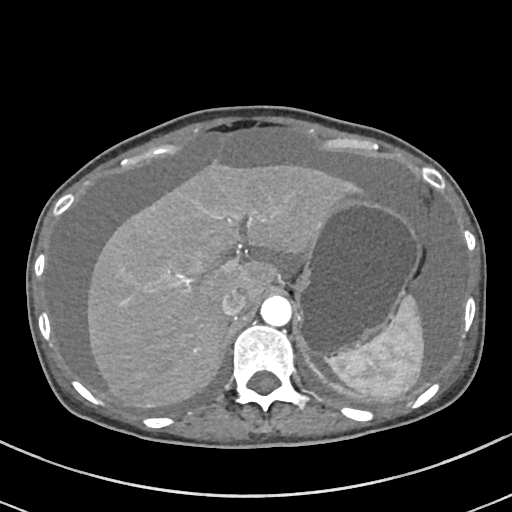

CT abdomen. axial plane, index 182. soft-tissue window (W 400 / L 40). 512x512 px
Bounding boxes in pixels, one row per box: x1, y1 is the top-left corner and x2, y2 the bottom-right.
| organ | x1 | y1 | x2 | y2 |
|---|---|---|---|---|
| spleen | 326 | 296 | 423 | 399 |
| liver | 87 | 164 | 358 | 407 |
| stomach | 295 | 196 | 419 | 356 |
| aorta | 261 | 296 | 291 | 326 |
| inferior vena cava | 221 | 289 | 248 | 316 |